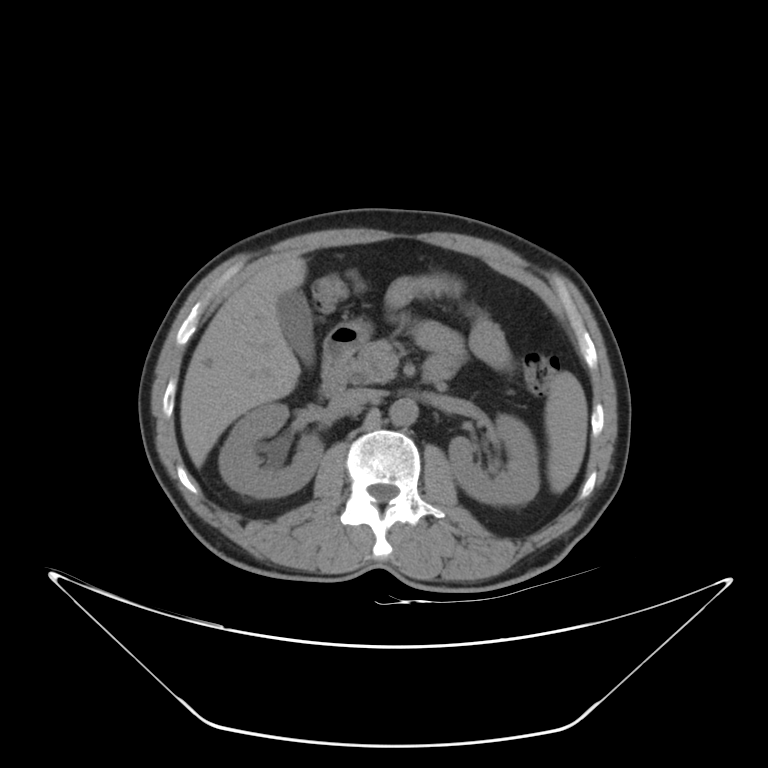
Abdominal CT — axial view — 768x768 px — 15 organs annotated in this scan (a whole-scan count: organs this slice does not pass through have no box)
{"organs":{"aorta":[389,398,418,425],"inferior vena cava":[334,388,380,410],"right kidney":[218,403,323,497],"pancreas":[345,339,395,383],"left kidney":[448,415,538,504],"gall bladder":[276,289,314,365],"stomach":[353,321,370,335],"liver":[180,256,306,468],"duodenum":[320,322,366,396],"spleen":[545,371,587,492]}}